CT, abdomen/pelvis · axial view · 15 organs annotated in this scan (counted over the whole 3D scan, not this slice; an organ is boxed only where this slice passes through it)
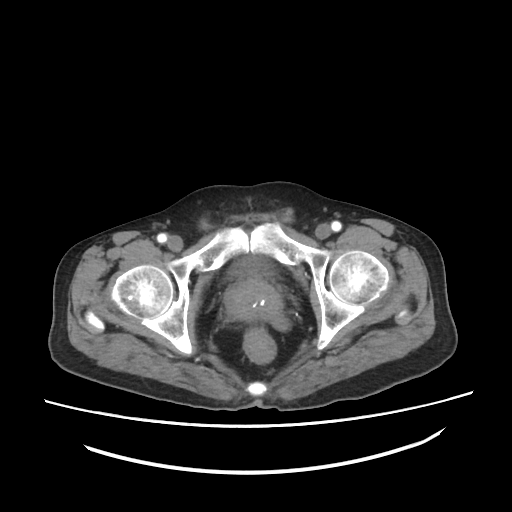
Box edges are left/top/right/bottom in pixels. The annotated organs in this slice are: bladder at left=232, top=258, right=268, bottom=275, prostate/uterus at left=225, top=277, right=282, bottom=321.